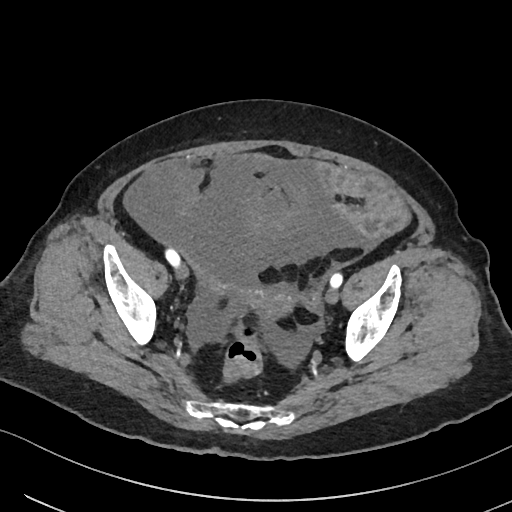

Computed tomography, abdomen. Axial slice 60/297. acquired on SOMATOM Force
Boxes: x1:y1:x2:y2 in pixels. Labeled organs on this slice: prostate/uterus at 239:284:295:321.